Chest-level slice from an abdominal CT that extends up into the chest — axial plane, index 252
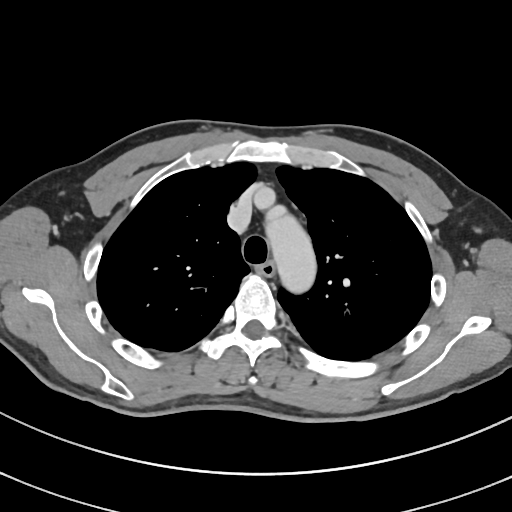

At this level of the chest no structure but the esophagus and the aorta has a label in this dataset, and those two are boxed only where they are labeled.
<organs><organ name="aorta" x1="262" y1="204" x2="317" y2="296"/><organ name="esophagus" x1="258" y1="261" x2="275" y2="277"/></organs>